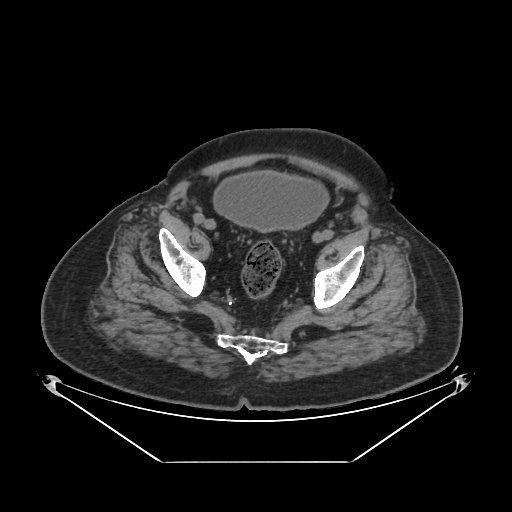
Computed tomography, abdomen. axial plane, index 68. abdomen soft-tissue window. 512x512 px. acquired on SOMATOM Force. 15 organs annotated in this scan (counted over the whole 3D scan, not this slice; an organ is boxed only where this slice passes through it)
{"organs":{"bladder":[213,171,330,230]}}